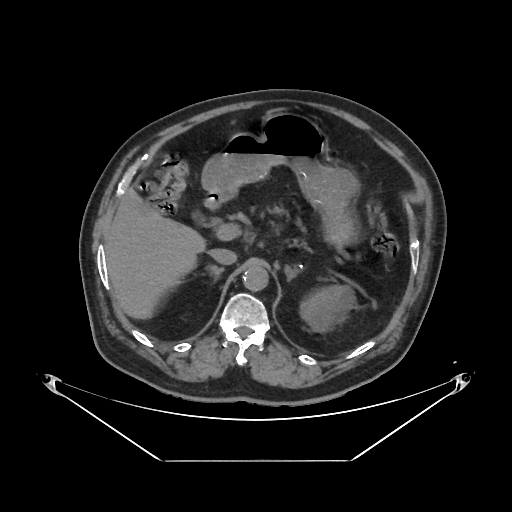
CT abdomen · axial view
Boxes are (x1, y1, x2, y2) in pixels.
inferior vena cava: (208, 248, 236, 264)
left kidney: (300, 286, 348, 331)
left adrenal gland: (285, 265, 301, 281)
pancreas: (270, 205, 283, 213)
aorta: (243, 265, 268, 290)
liver: (105, 188, 207, 318)
duodenum: (203, 192, 224, 208)
right adrenal gland: (210, 266, 223, 276)
stomach: (201, 113, 365, 249)